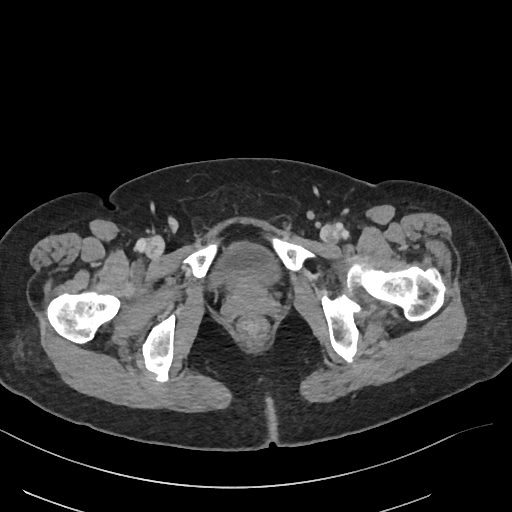

CT, abdomen/pelvis — Axial slice 23/244 — acquired on SOMATOM Force
<organs><organ name="bladder" x1="210" y1="241" x2="279" y2="287"/></organs>